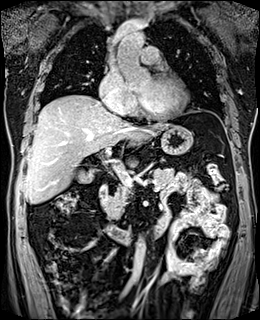 Magnetic resonance imaging, abdomen · coronal view · 1st–99th percentile window · acquired on Prisma
{"organs":{"gall bladder":[77,170,95,183],"liver":[24,95,167,204],"stomach":[160,125,192,154],"aorta":[[130,238,145,282],[117,30,144,48]],"pancreas":[101,168,173,218],"duodenum":[99,185,163,243]}}